CT, abdomen/pelvis. axial view. 512x512 px. 15 organs annotated in this scan (counted over the whole 3D scan, not this slice; an organ is boxed only where this slice passes through it)
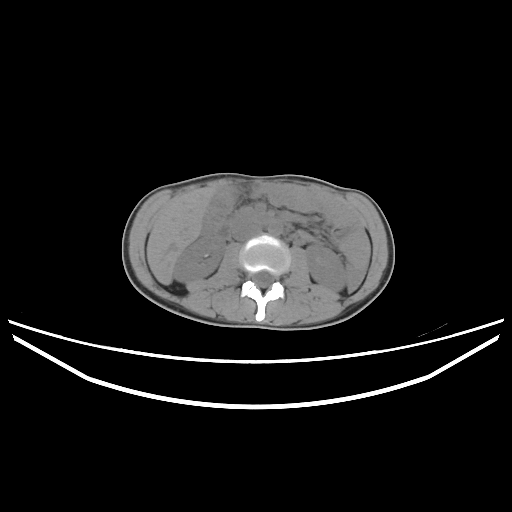 {"organs":{"right kidney":[172,235,225,282],"left kidney":[305,245,346,291],"liver":[146,188,215,284],"aorta":[267,221,282,235],"inferior vena cava":[232,223,261,240],"pancreas":[232,208,262,222],"duodenum":[214,214,280,239]}}